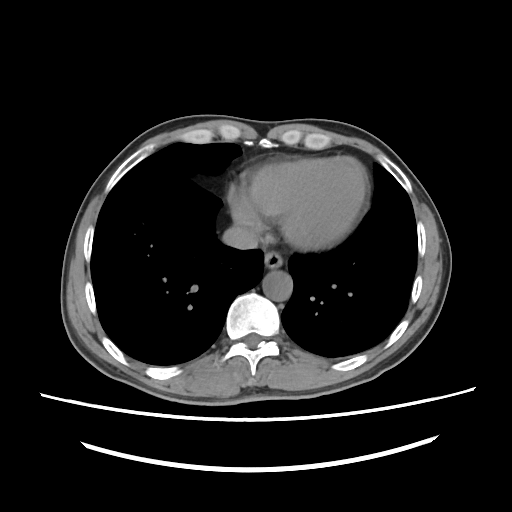
Abdominal CT; this slice is in the lower chest, just above the liver. axial view. soft-tissue window. 512x512 px
Of the structures in the chest, this dataset labels only the esophagus, the aorta and the inferior vena cava; the heart and lungs have no label.
Each box given as x1,y1,x2,y2.
inferior vena cava: x1=222, y1=225, x2=257, y2=249
aorta: x1=262, y1=271, x2=292, y2=300
esophagus: x1=264, y1=251, x2=282, y2=267